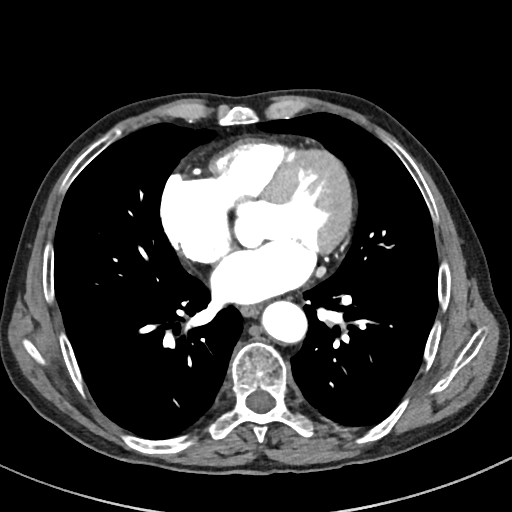 Abdominal CT; this slice is in the lower chest, just above the liver · axial plane, index 225 · soft-tissue window, W/L 400/40 · 15 organs annotated in this scan (that count is for the whole scan; organs this slice misses have no box)
No part of the heart or lungs is labeled in this dataset, so neither has a box here.
Coordinates as <box>x1,y1,x2,y2</box> in pixels.
Organ bounding boxes:
- esophagus: <box>240,304,264,317</box>
- aorta: <box>263,302,308,345</box>